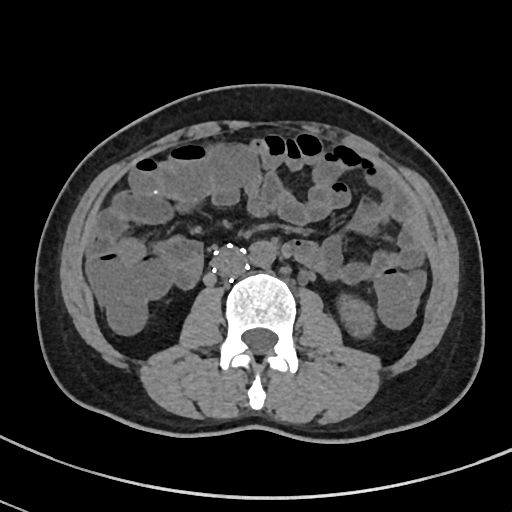
CT abdomen · axial view · W/L 400/40 HU
One row per box, in pixels: columns x1 and y1 give the top-left corner, x2 and y2 the bottom-right.
| organ | x1 | y1 | x2 | y2 |
|---|---|---|---|---|
| inferior vena cava | 211 | 246 | 247 | 279 |
| left kidney | 340 | 295 | 375 | 334 |
| aorta | 247 | 241 | 277 | 267 |